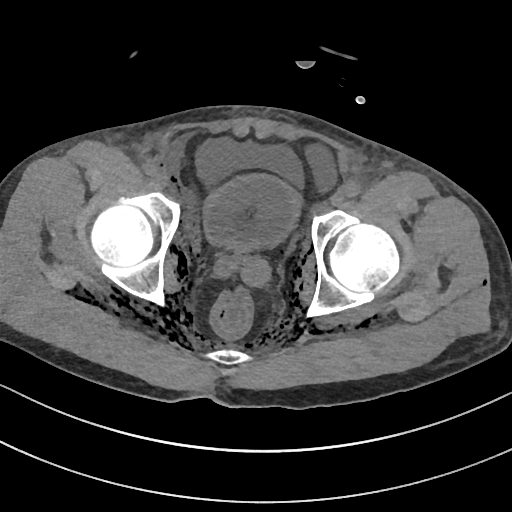
Abdominal CT; Axial slice 46/252; scan has 15 labeled organs (that count is for the whole scan; organs this slice misses have no box)
<organs><organ name="bladder" x1="203" y1="175" x2="299" y2="249"/></organs>